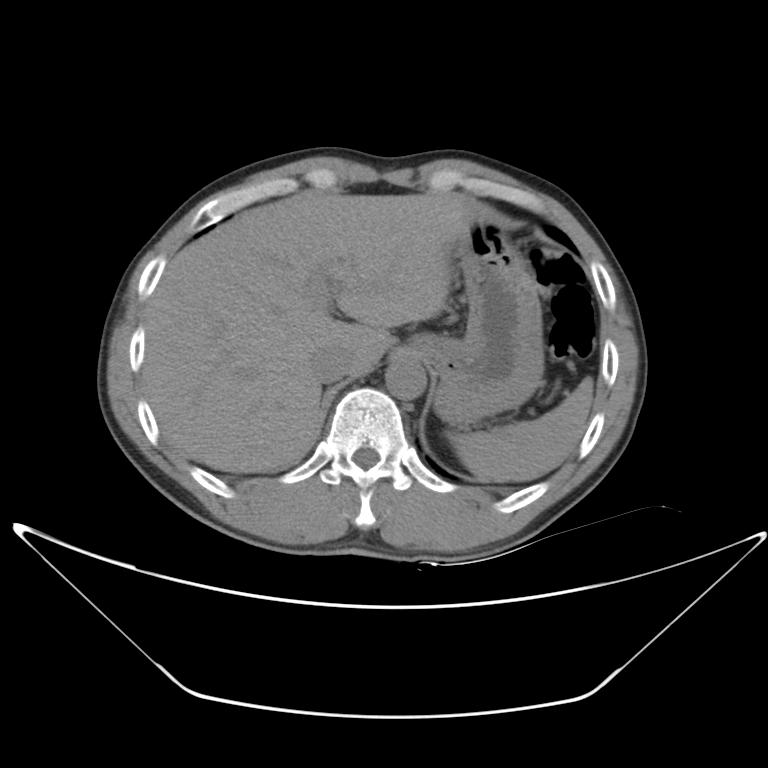 CT, abdomen/pelvis. axial view. 768x768 px. 51-year-old male patient. acquired on Brilliance16
{"organs":{"spleen":[450,379,592,481],"liver":[143,189,468,472],"stomach":[419,201,543,426],"aorta":[384,360,426,399],"inferior vena cava":[310,349,351,383]}}